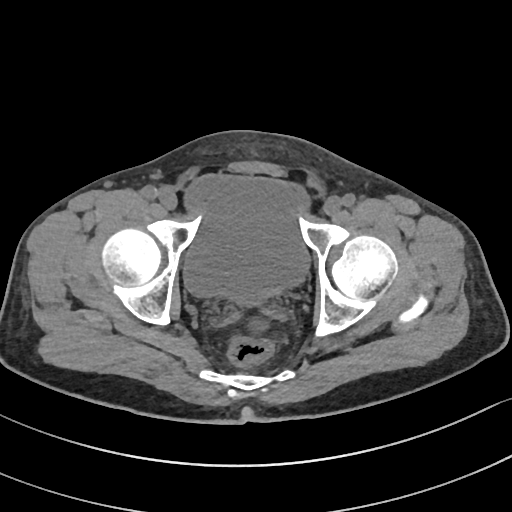
Computed tomography, abdomen · Axial slice 25/206 · SOMATOM Force scanner
Bounding boxes as [x1, y1, x2, y2] in pixel coordinates. 1 labeled organ on this slice — bladder at [184, 173, 307, 301].